CT abdomen; axial plane, index 213; W/L 400/40 HU; 512x512 px
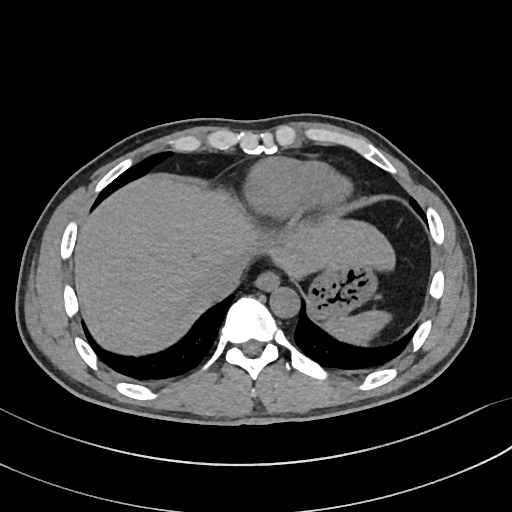 Coordinates as <box>x1,y1,x2,y2</box> in pixels.
Organ bounding boxes:
- spleen: <box>324,310,390,342</box>
- esophagus: <box>255,273,280,292</box>
- liver: <box>76,175,395,353</box>
- stomach: <box>309,265,375,318</box>
- aorta: <box>270,288,299,318</box>
- inferior vena cava: <box>201,259,245,299</box>